Abdominal CT — Axial slice 185/234
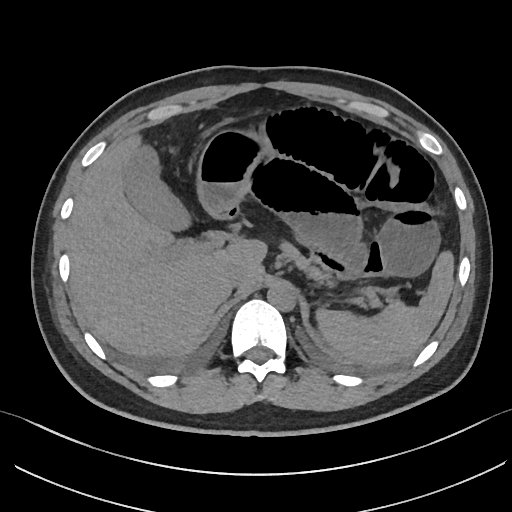 Box edges are left/top/right/bottom in pixels. Labeled organs on this slice: spleen at left=315, top=249, right=454, bottom=365, gall bladder at left=123, top=146, right=188, bottom=229, liver at left=68, top=134, right=267, bottom=355, stomach at left=195, top=127, right=340, bottom=214, aorta at left=267, top=285, right=295, bottom=311, inferior vena cava at left=224, top=267, right=244, bottom=290, pancreas at left=285, top=246, right=306, bottom=265, duodenum at left=215, top=208, right=235, bottom=216.